Abdominal CT · Axial slice 63/86 · W/L 400/40 HU · 512x512 px · 55-year-old male patient
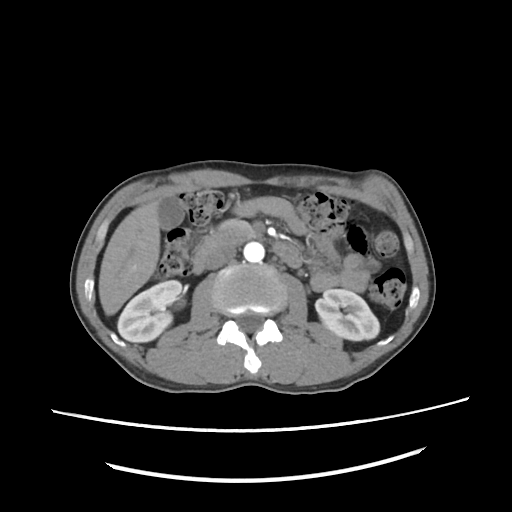

<organs><organ name="right kidney" x1="117" y1="280" x2="181" y2="343"/><organ name="aorta" x1="243" y1="242" x2="263" y2="262"/><organ name="pancreas" x1="219" y1="220" x2="257" y2="238"/><organ name="gall bladder" x1="159" y1="194" x2="183" y2="230"/><organ name="duodenum" x1="193" y1="232" x2="303" y2="272"/><organ name="liver" x1="99" y1="198" x2="162" y2="314"/><organ name="inferior vena cava" x1="205" y1="246" x2="236" y2="268"/><organ name="left kidney" x1="316" y1="288" x2="378" y2="341"/></organs>